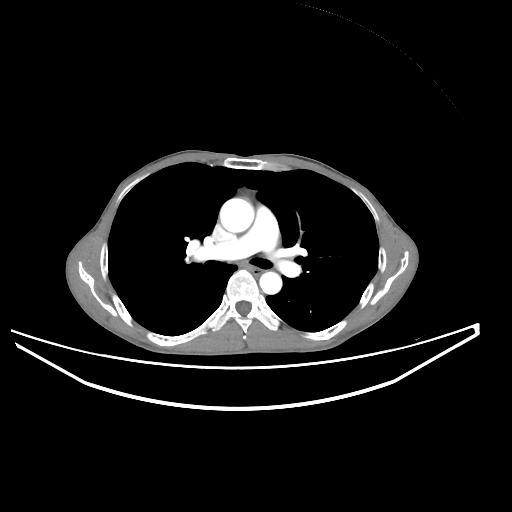

Abdominal CT reaching into the chest; this slice is in the chest · Axial slice 105/131 · 512x512 px · 60-year-old male patient · acquired on Aquilion ONE
On a slice this high in the chest, this dataset labels only the esophagus and the aorta, and each is boxed only where it is labeled; the heart, lungs and other chest structures are not labeled.
<organs><organ name="esophagus" x1="250" y1="267" x2="262" y2="276"/><organ name="aorta" x1="220" y1="198" x2="254" y2="232"/><organ name="aorta" x1="259" y1="272" x2="281" y2="294"/></organs>